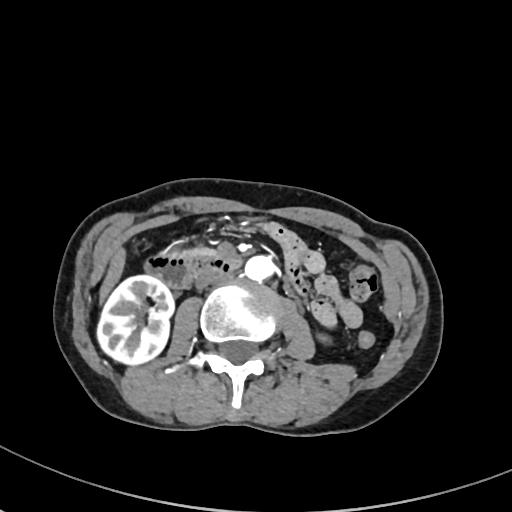

CT abdomen · axial plane, index 130 · acquired on SOMATOM Force
Bounding boxes in pixels, one row per box: x1, y1 is the top-left corner and x2, y2 the bottom-right.
| organ | x1 | y1 | x2 | y2 |
|---|---|---|---|---|
| pancreas | 183 | 247 | 217 | 254 |
| left kidney | 322 | 337 | 328 | 341 |
| duodenum | 144 | 253 | 240 | 288 |
| liver | 100 | 247 | 125 | 299 |
| aorta | 244 | 256 | 274 | 281 |
| right kidney | 97 | 275 | 174 | 365 |
| inferior vena cava | 195 | 272 | 226 | 289 |